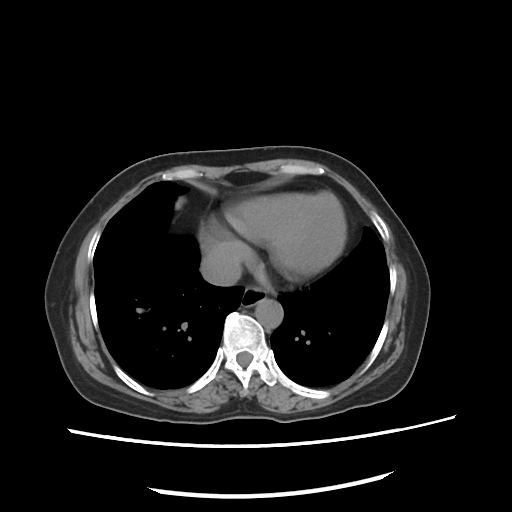

CT of the abdomen reaching into the lower chest, slice just above the liver and spleen — axial plane, index 84 — soft-tissue window, W/L 400/40 — 512x512 px
Of the structures in the chest, this dataset labels only the esophagus, the aorta and the inferior vena cava; the heart and lungs have no label.
<organs><organ name="aorta" x1="253" y1="298" x2="282" y2="327"/><organ name="esophagus" x1="241" y1="286" x2="267" y2="307"/><organ name="inferior vena cava" x1="201" y1="248" x2="242" y2="285"/></organs>